CT, abdomen/pelvis. axial plane, index 168. 512x512 px
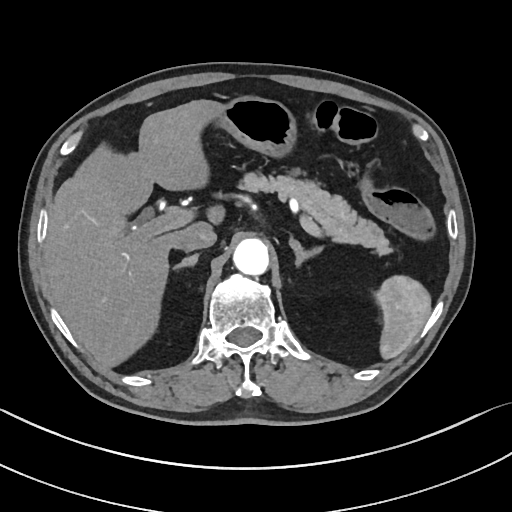
Box edges are left/top/right/bottom in pixels. Labeled organs on this slice: stomach at left=220, top=98, right=299, bottom=158, left adrenal gland at left=290, top=238, right=323, bottom=265, inferior vena cava at left=174, top=227, right=216, bottom=252, right adrenal gland at left=174, top=252, right=202, bottom=274, aorta at left=233, top=239, right=269, bottom=276, pancreas at left=246, top=175, right=391, bottom=254, spleen at left=377, top=274, right=431, bottom=359, liver at left=44, top=99, right=226, bottom=368.